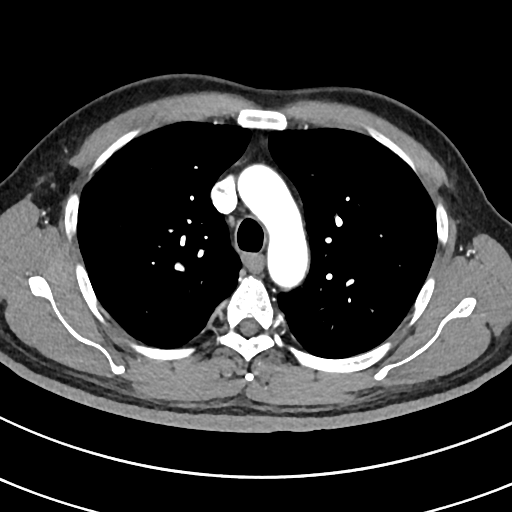 CT of the abdomen extending into the chest, slice through the chest; Axial slice 258/302; soft-tissue window; 512x512 px; 15 organs annotated in this scan (a whole-scan count: organs this slice does not pass through have no box)
At this level of the chest no structure but the esophagus and the aorta has a label in this dataset, and those two are boxed only where they are labeled.
Organ boxes in pixel coordinates; each row gives the top-left (x1, y1) and bottom-right (x2, y2) corners.
| organ | x1 | y1 | x2 | y2 |
|---|---|---|---|---|
| esophagus | 245 | 254 | 262 | 269 |
| aorta | 238 | 165 | 307 | 285 |